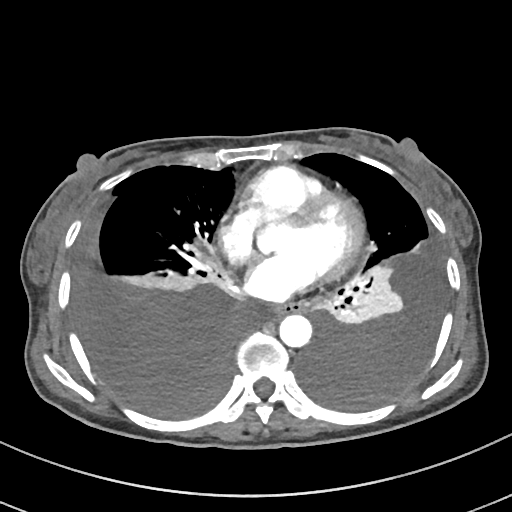 Lower-chest slice from an abdominal CT, just above the liver and spleen — axial plane, index 227
No part of the heart or lungs is labeled in this dataset, so neither has a box here.
Organ boxes in pixel coordinates; each row gives the top-left (x1, y1) and bottom-right (x2, y2) corners.
| organ | x1 | y1 | x2 | y2 |
|---|---|---|---|---|
| aorta | 279 | 315 | 311 | 347 |
| esophagus | 272 | 303 | 301 | 316 |